CT of the abdomen reaching into the lower chest, slice just above the liver and spleen. axial view. soft-tissue window, W/L 400/40. acquired on Aquilion ONE
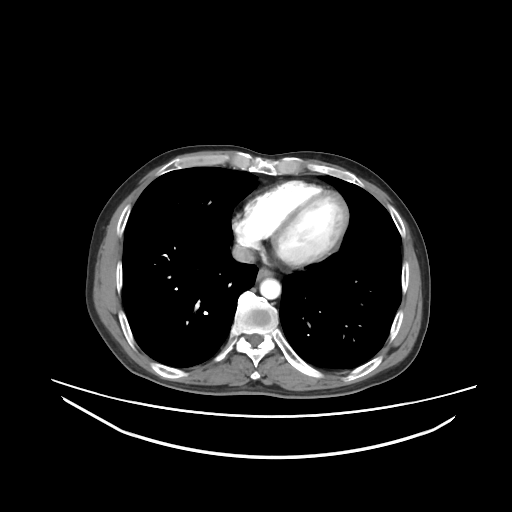

No part of the heart or lungs is labeled in this dataset, so neither has a box here.
<organs><organ name="esophagus" x1="257" y1="268" x2="273" y2="280"/><organ name="aorta" x1="259" y1="278" x2="280" y2="299"/><organ name="inferior vena cava" x1="232" y1="244" x2="255" y2="263"/></organs>